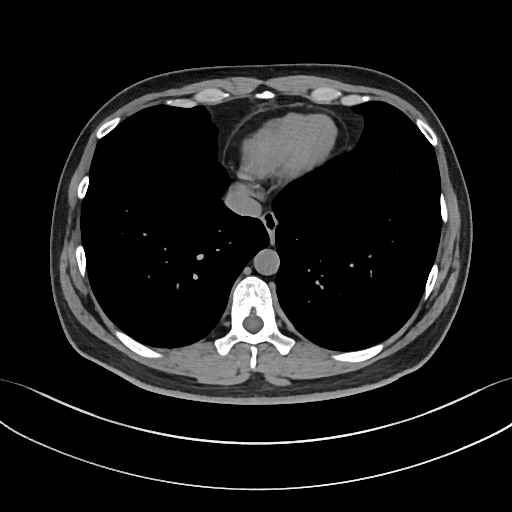
Abdominal CT; this slice is in the lower chest, just above the liver · axial view · soft-tissue window, W/L 400/40 · 512x512 px · acquired on SOMATOM Force · 15 organs annotated in this scan (that count is for the whole scan; organs this slice misses have no box)
No part of the heart or lungs is labeled in this dataset, so neither has a box here.
Boxes: x1:y1:x2:y2 in pixels.
Organ bounding boxes:
- esophagus: 261:211:277:245
- aorta: 253:249:279:274
- inferior vena cava: 224:187:261:217